CT abdomen; axial view; 512x512 px
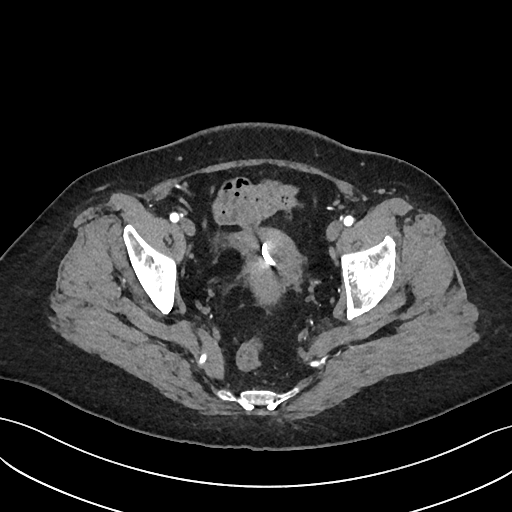
Boxes: x1:y1:x2:y2 in pixels.
Organ bounding boxes:
- prostate/uterus: 229:229:302:302